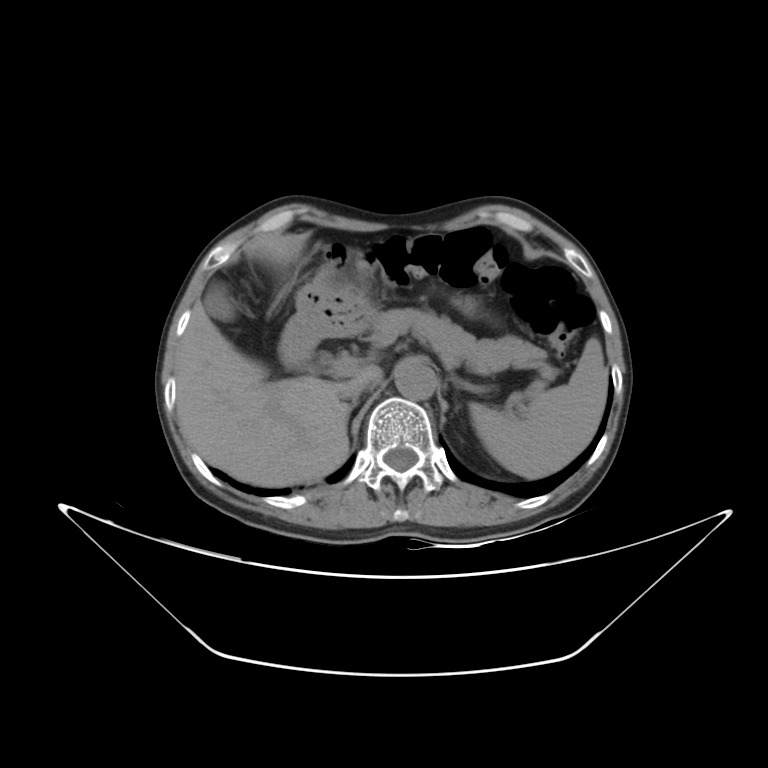

Abdominal CT; axial view; soft-tissue window (W 400 / L 40); 52-year-old male patient
Organ boxes in pixel coordinates; each row gives the top-left (x1, y1) and bottom-right (x2, y2) corners.
| organ | x1 | y1 | x2 | y2 |
|---|---|---|---|---|
| inferior vena cava | 344 | 379 | 370 | 400 |
| left adrenal gland | 456 | 405 | 458 | 407 |
| liver | 175 | 232 | 382 | 486 |
| stomach | 279 | 284 | 375 | 368 |
| right adrenal gland | 348 | 400 | 358 | 416 |
| pancreas | 366 | 308 | 546 | 374 |
| spleen | 469 | 337 | 608 | 478 |
| gall bladder | 204 | 281 | 237 | 321 |
| aorta | 395 | 359 | 436 | 400 |